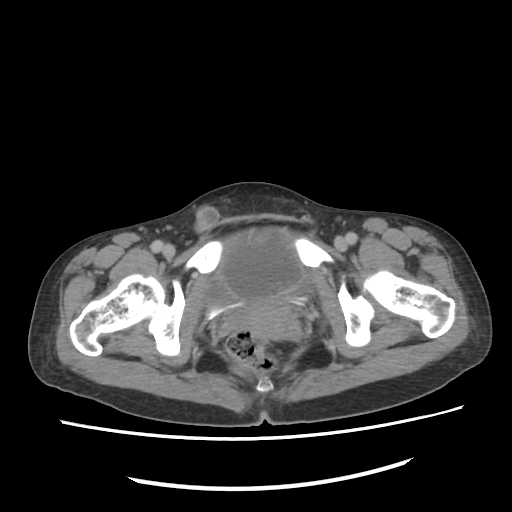 Abdominal CT. axial view. soft-tissue window. 512x512 px
Box edges are left/top/right/bottom in pixels.
prostate/uterus: left=227, top=299, right=300, bottom=339
bladder: left=208, top=258, right=313, bottom=318